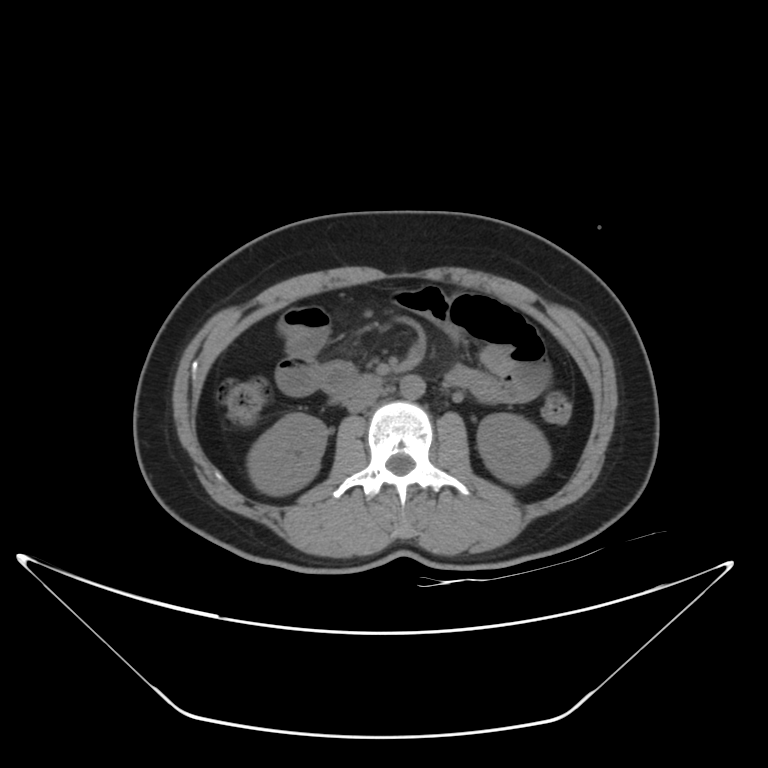 Computed tomography, abdomen · axial plane, index 61 · 39-year-old female patient · scan has 15 labeled organs (counted over the whole 3D scan, not this slice; an organ is boxed only where this slice passes through it)
Coordinates as <box>x1,y1,x2,y2</box> in pixels.
right kidney: <box>247,414,327,494</box>
left kidney: <box>477,414,551,484</box>
aorta: <box>400,375,425,399</box>
inferior vena cava: <box>346,383,382,413</box>
duodenum: <box>331,375,379,401</box>